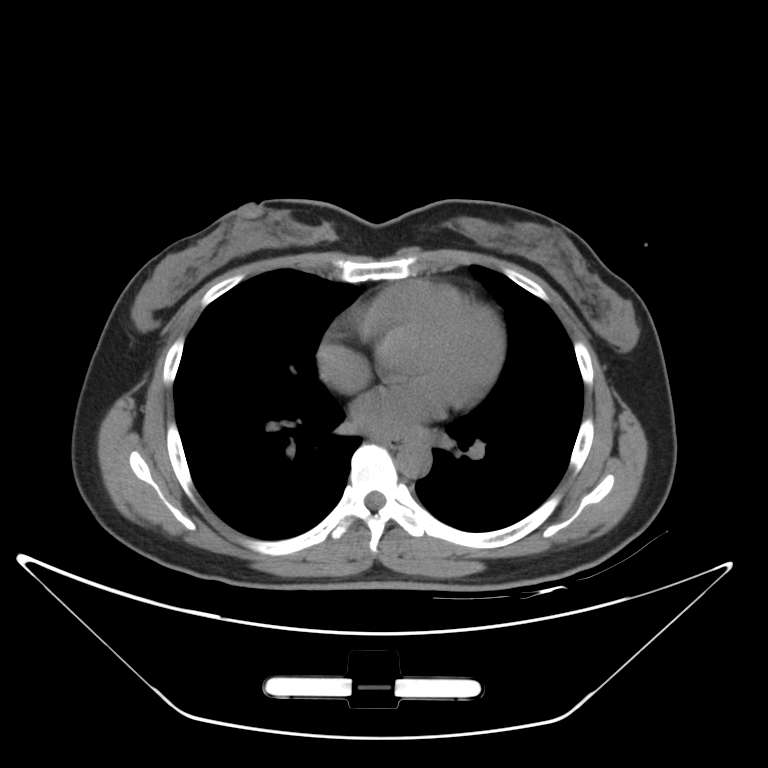

CT of the abdomen reaching into the lower chest, slice just above the liver and spleen. axial view. 768x768 px. 39-year-old female patient
Of the structures in the chest, this dataset labels only the esophagus, the aorta and the inferior vena cava; the heart and lungs have no label.
<organs><organ name="esophagus" x1="377" y1="435" x2="403" y2="446"/><organ name="aorta" x1="396" y1="440" x2="431" y2="477"/></organs>